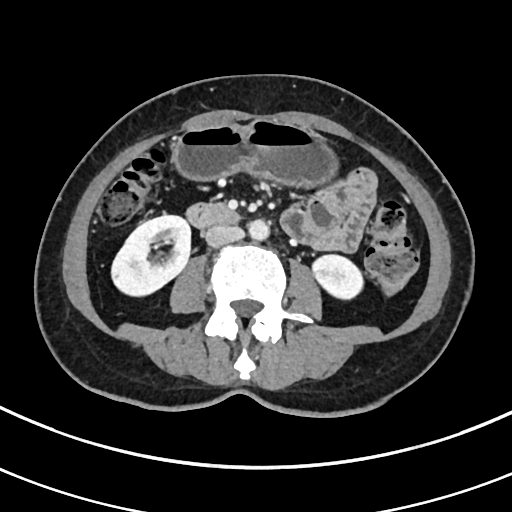

Abdominal CT. axial view. SOMATOM Force scanner
<organs><organ name="duodenum" x1="186" y1="204" x2="240" y2="228"/><organ name="left kidney" x1="311" y1="254" x2="361" y2="300"/><organ name="right kidney" x1="112" y1="215" x2="189" y2="294"/><organ name="stomach" x1="176" y1="120" x2="334" y2="186"/><organ name="aorta" x1="248" y1="219" x2="269" y2="240"/><organ name="inferior vena cava" x1="205" y1="224" x2="244" y2="247"/></organs>